Abdominal MRI · coronal view · percentile-normalized · 320x320 px · Prisma scanner
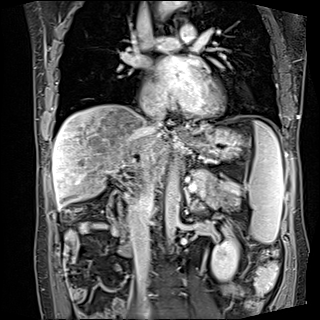
Coordinates as <box>x1,y1,x2,y2</box> in pixels. The annotated organs in this slice are: duodenum at <box>106,188,133,256</box>, left kidney at <box>211,226,238,280</box>, stomach at <box>185,126,243,160</box>, pancreas at <box>191,168,239,208</box>, esophagus at <box>176,127,189,139</box>, liver at <box>52,104,205,209</box>, inferior vena cava at <box>129,176,154,306</box>, inferior vena cava at <box>146,102,165,128</box>, spleen at <box>248,121,283,243</box>, aorta at <box>165,165,180,243</box>, aorta at <box>157,1,186,15</box>.